Computed tomography, abdomen; axial view; soft-tissue window (W 400 / L 40)
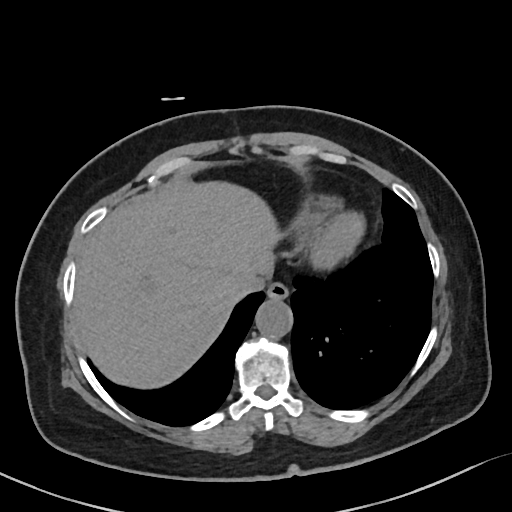 <organs><organ name="esophagus" x1="267" y1="281" x2="289" y2="299"/><organ name="liver" x1="74" y1="180" x2="281" y2="388"/><organ name="aorta" x1="255" y1="299" x2="292" y2="338"/><organ name="inferior vena cava" x1="235" y1="269" x2="268" y2="296"/></organs>